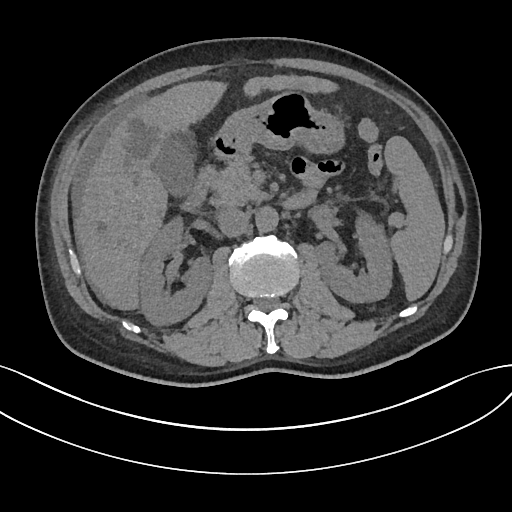

Computed tomography, abdomen — axial view — 512x512 px — 15 organs annotated in this scan (that count is for the whole scan; organs this slice misses have no box)
<organs><organ name="pancreas" x1="210" y1="155" x2="266" y2="205"/><organ name="liver" x1="74" y1="75" x2="339" y2="310"/><organ name="inferior vena cava" x1="215" y1="206" x2="249" y2="238"/><organ name="gall bladder" x1="155" y1="138" x2="192" y2="197"/><organ name="spleen" x1="385" y1="136" x2="445" y2="302"/><organ name="duodenum" x1="182" y1="137" x2="317" y2="212"/><organ name="left kidney" x1="316" y1="219" x2="391" y2="303"/><organ name="stomach" x1="214" y1="92" x2="343" y2="158"/><organ name="right kidney" x1="139" y1="219" x2="212" y2="326"/><organ name="aorta" x1="255" y1="208" x2="278" y2="232"/></organs>